CT abdomen. axial plane, index 55. abdomen soft-tissue window. 512x512 px. 49-year-old male patient
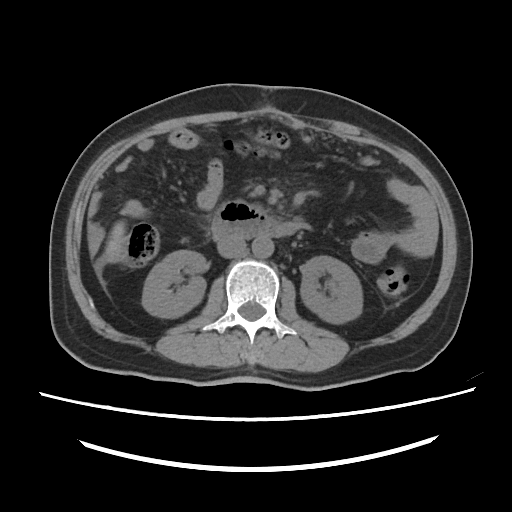
{"organs":{"right kidney":[142,250,206,317],"liver":[105,221,125,261],"inferior vena cava":[217,236,245,258],"aorta":[252,237,273,257],"duodenum":[211,201,309,240],"left kidney":[300,256,362,323]}}